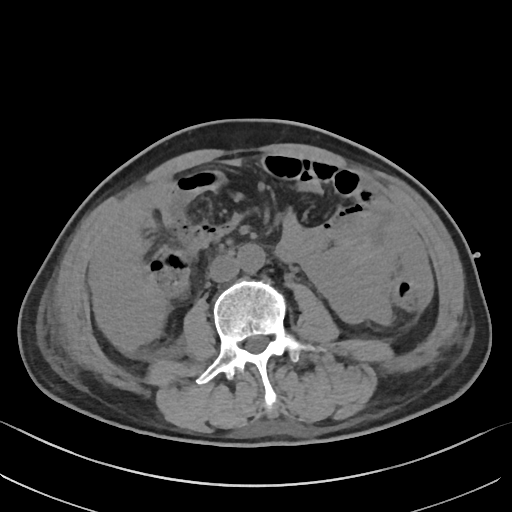

Computed tomography, abdomen. axial view. soft-tissue window (W 400 / L 40). scan has 15 labeled organs (counted over the whole 3D scan, not this slice; an organ is boxed only where this slice passes through it)
Boxes are (x1, y1, x2, y2) in pixels.
Organ bounding boxes:
- aorta: (237, 243, 264, 273)
- inferior vena cava: (208, 255, 239, 282)